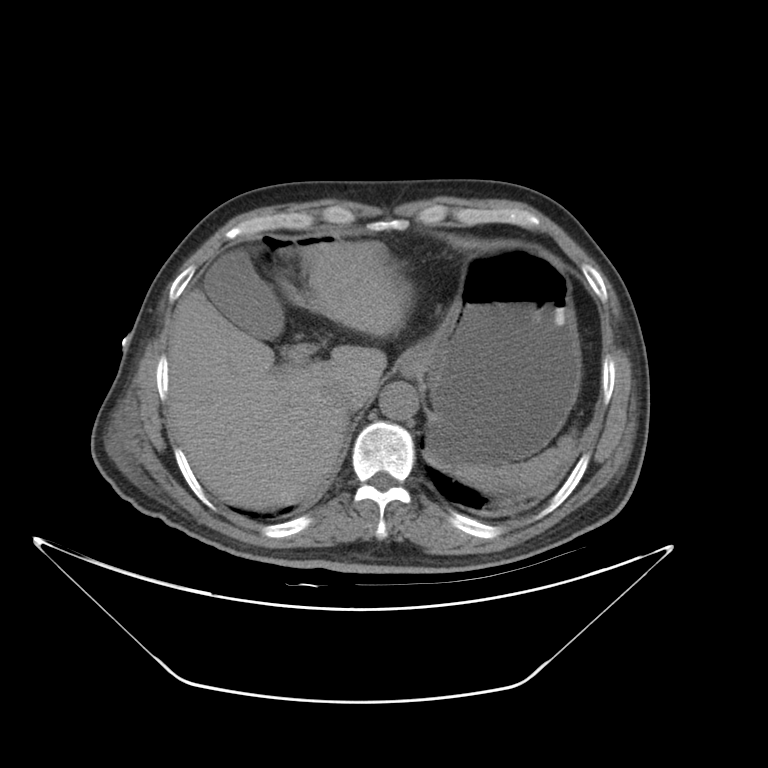

Computed tomography, abdomen. axial view
<organs><organ name="spleen" x1="449" y1="437" x2="579" y2="498"/><organ name="gall bladder" x1="200" y1="249" x2="284" y2="337"/><organ name="esophagus" x1="401" y1="346" x2="422" y2="376"/><organ name="liver" x1="168" y1="242" x2="406" y2="507"/><organ name="stomach" x1="422" y1="247" x2="581" y2="466"/><organ name="aorta" x1="382" y1="381" x2="418" y2="420"/><organ name="inferior vena cava" x1="329" y1="386" x2="368" y2="415"/></organs>